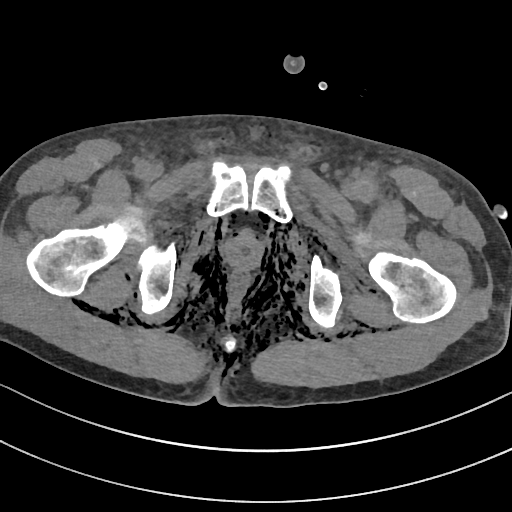
Computed tomography, abdomen — axial view — soft-tissue window — acquired on SOMATOM Force
Boxes: x1 y1 x2 y2 (pixel coords, space-separated).
prostate/uterus: 223 234 264 268